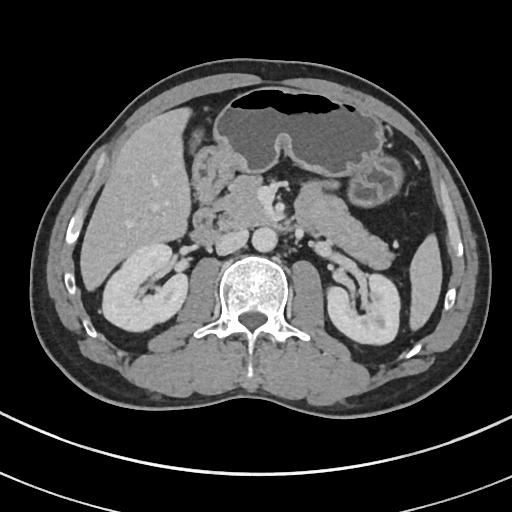

CT abdomen — axial view
{"organs":{"spleen":[409,234,442,330],"right kidney":[102,243,187,331],"left kidney":[327,274,400,344],"gall bladder":[191,130,202,148],"liver":[79,107,191,290],"stomach":[192,86,403,206],"aorta":[251,227,277,252],"inferior vena cava":[216,230,248,254],"pancreas":[215,175,393,269],"duodenum":[190,204,236,244]}}